CT, abdomen/pelvis; axial view; soft-tissue window
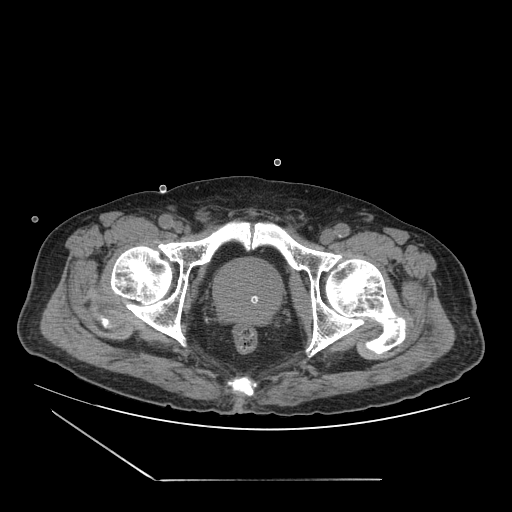

{"organs":{"prostate/uterus":[214,259,281,323]}}